CT of the abdomen reaching into the lower chest, slice just above the liver and spleen · axial view · acquired on SOMATOM Force
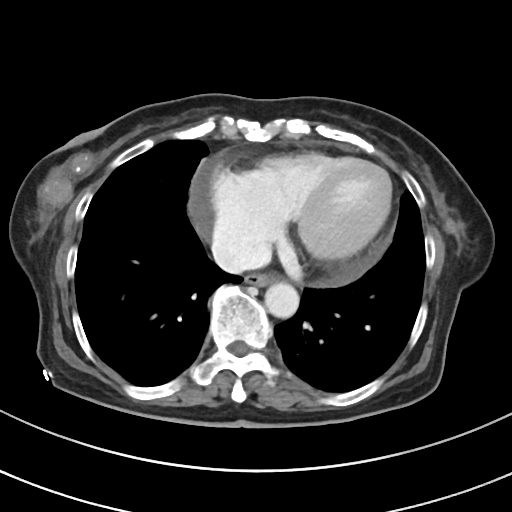 The heart and lungs are never labeled in this dataset, so they have no box on this slice.
One row per box, in pixels: columns x1 and y1 give the top-left corner, x2 and y2 the bottom-right.
| organ | x1 | y1 | x2 | y2 |
|---|---|---|---|---|
| esophagus | 245 | 273 | 274 | 286 |
| aorta | 265 | 282 | 299 | 318 |
| inferior vena cava | 211 | 237 | 270 | 273 |